Computed tomography, abdomen · axial plane, index 149 · soft-tissue window (W 400 / L 40) · 512x512 px
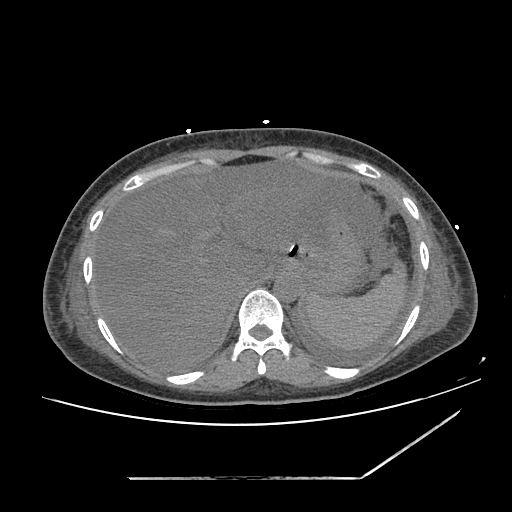
Each box given as x1,y1,x2,y2.
spleen: x1=307, y1=262, x2=405, y2=350
liver: x1=94, y1=161, x2=327, y2=370
stomach: x1=281, y1=207, x2=361, y2=290
aorta: x1=274, y1=272, x2=302, y2=302
inferior vena cava: x1=231, y1=273, x2=255, y2=295